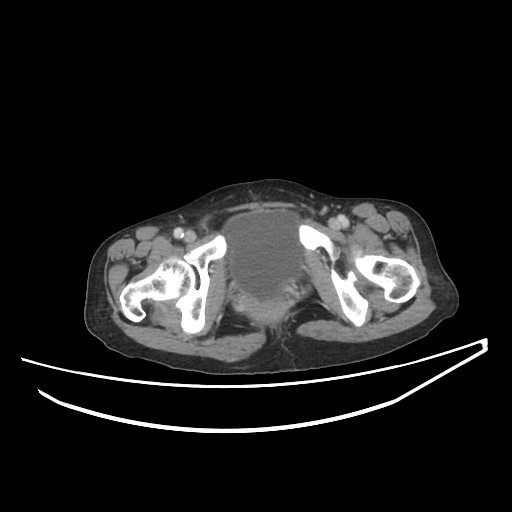
CT abdomen; axial view; W/L 400/40 HU; 512x512 px
Each box given as x1,y1,x2,y2.
Organ bounding boxes:
- bladder: x1=225, y1=210, x2=301, y2=300